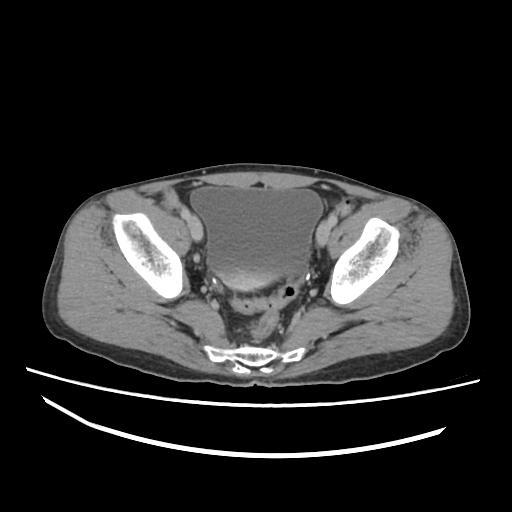

CT abdomen. axial view. 512x512 px
{"organs":{"bladder":[190,187,321,290]}}